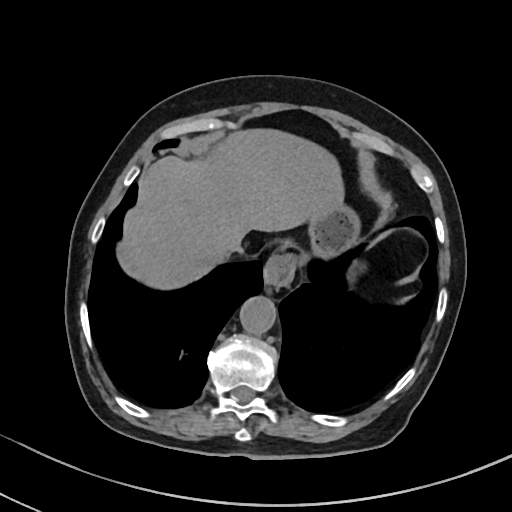
CT, abdomen/pelvis; axial view; W/L 400/40 HU; SOMATOM Force scanner
Each box given as x1,y1,x2,y2.
Organ bounding boxes:
- esophagus: x1=264, y1=254, x2=295, y2=286
- stomach: x1=281, y1=202, x2=360, y2=267
- inferior vena cava: x1=228, y1=237, x2=243, y2=252
- aorta: x1=239, y1=295, x2=276, y2=334
- liver: x1=117, y1=128, x2=343, y2=289